Abdominal CT; axial view; acquired on SOMATOM Force
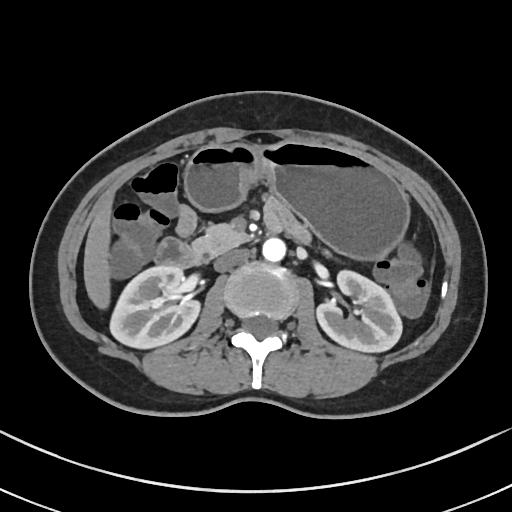
<organs><organ name="right kidney" x1="109" y1="265" x2="200" y2="348"/><organ name="left kidney" x1="316" y1="270" x2="402" y2="352"/><organ name="liver" x1="83" y1="194" x2="113" y2="309"/><organ name="stomach" x1="184" y1="141" x2="409" y2="259"/><organ name="aorta" x1="262" y1="238" x2="285" y2="261"/><organ name="inferior vena cava" x1="214" y1="249" x2="248" y2="271"/><organ name="pancreas" x1="192" y1="224" x2="248" y2="255"/><organ name="duodenum" x1="154" y1="223" x2="281" y2="267"/></organs>